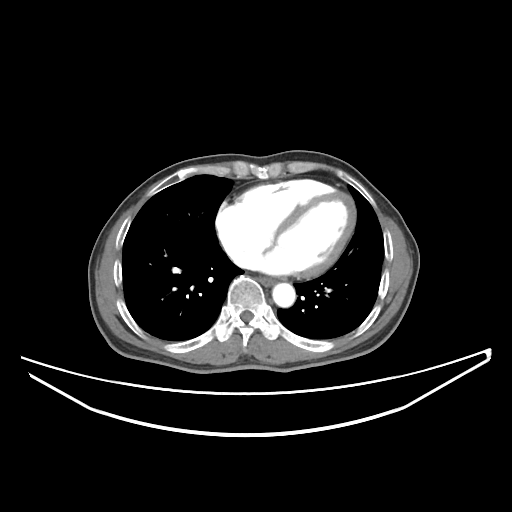 CT of the abdomen reaching into the lower chest, slice just above the liver and spleen. axial view. 62-year-old male patient. Aquilion ONE scanner. 15 organs annotated in this scan (counted over the whole 3D scan, not this slice; an organ is boxed only where this slice passes through it)
No part of the heart or lungs is labeled in this dataset, so neither has a box here.
Organ boxes in pixel coordinates; each row gives the top-left (x1, y1) and bottom-right (x2, y2) corners.
| organ | x1 | y1 | x2 | y2 |
|---|---|---|---|---|
| esophagus | 259 | 277 | 274 | 286 |
| aorta | 272 | 283 | 295 | 307 |